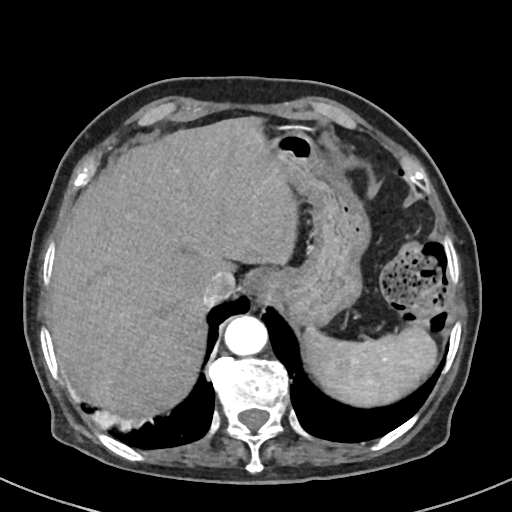

Computed tomography, abdomen; axial view; 512x512 px; acquired on SOMATOM Force
Bounding boxes as [x1, y1, x2, y2] in pixel coordinates. Labeled organs on this slice: inferior vena cava at [201, 270, 234, 305], esophagus at [245, 269, 285, 302], stomach at [267, 132, 370, 327], spleen at [304, 325, 437, 406], aorta at [224, 316, 267, 355], liver at [47, 117, 297, 415].